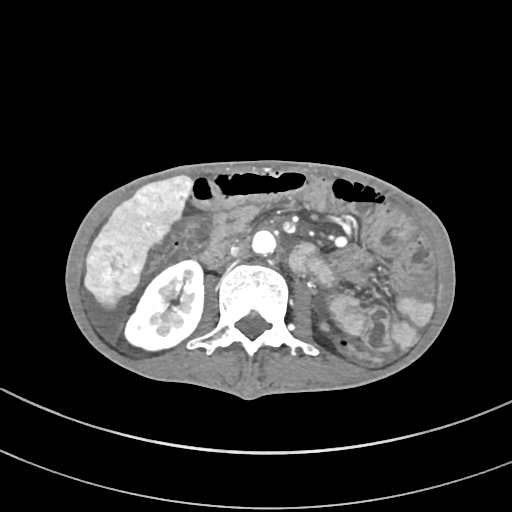

CT abdomen; axial plane, index 117; soft-tissue window
Organ boxes in pixel coordinates; each row gives the top-left (x1, y1) and bottom-right (x2, y2) corners.
| organ | x1 | y1 | x2 | y2 |
|---|---|---|---|---|
| right kidney | 125 | 260 | 203 | 350 |
| left kidney | 320 | 322 | 332 | 331 |
| liver | 85 | 174 | 192 | 307 |
| aorta | 252 | 230 | 276 | 253 |
| inferior vena cava | 230 | 240 | 248 | 256 |